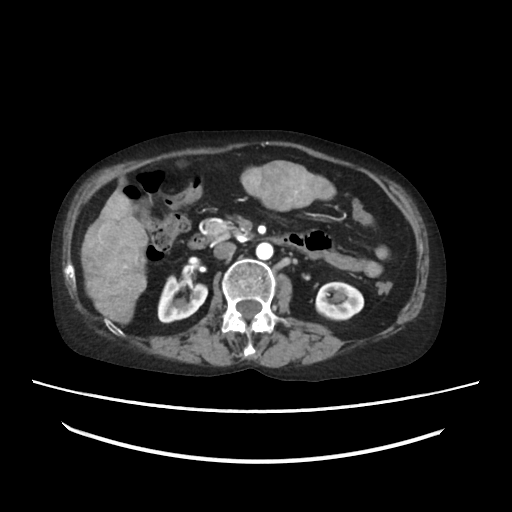
CT abdomen · axial view · 512x512 px · 61-year-old female patient · 15 organs annotated in this scan (counted over the whole 3D scan, not this slice; an organ is boxed only where this slice passes through it)
{"organs":{"right kidney":[159,277,208,322],"left kidney":[316,282,363,320],"liver":[80,161,334,323],"aorta":[257,244,273,258],"inferior vena cava":[214,242,234,258],"pancreas":[204,219,245,241],"duodenum":[189,229,331,256]}}